CT abdomen — axial view — 49-year-old male patient
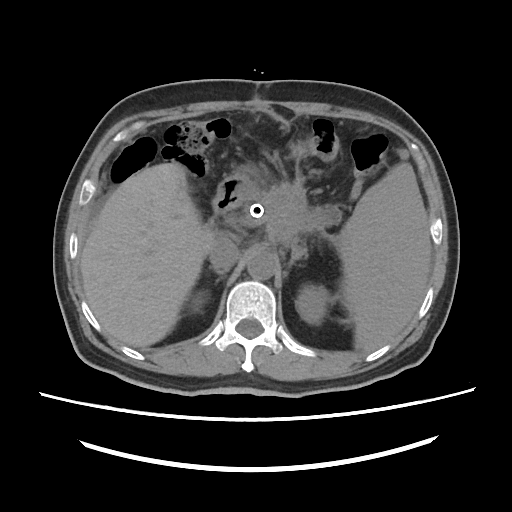 <organs><organ name="liver" x1="80" y1="163" x2="222" y2="346"/><organ name="right kidney" x1="189" y1="290" x2="207" y2="313"/><organ name="left kidney" x1="295" y1="284" x2="330" y2="324"/><organ name="aorta" x1="247" y1="251" x2="276" y2="279"/><organ name="spleen" x1="339" y1="163" x2="431" y2="349"/><organ name="left adrenal gland" x1="284" y1="245" x2="308" y2="273"/><organ name="inferior vena cava" x1="209" y1="237" x2="239" y2="270"/><organ name="right adrenal gland" x1="213" y1="269" x2="226" y2="281"/><organ name="duodenum" x1="212" y1="176" x2="254" y2="214"/><organ name="pancreas" x1="254" y1="187" x2="332" y2="237"/></organs>